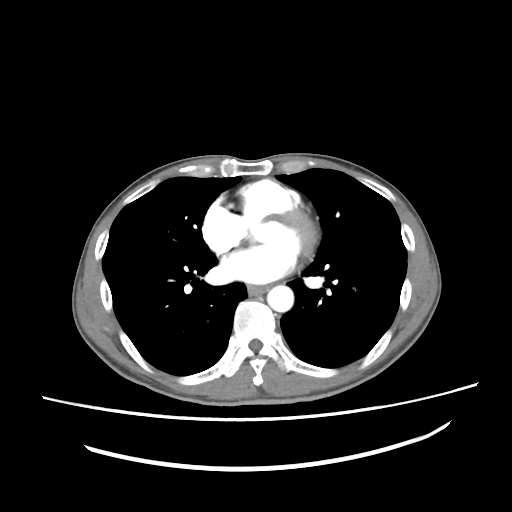
Chest-level CT slice, above the liver and spleen · axial plane, index 97 · soft-tissue window · 50-year-old male patient
At this level of the chest this dataset labels only the esophagus and the aorta, and each is boxed only where it is labeled; the heart and lungs are never labeled.
<organs><organ name="aorta" x1="267" y1="285" x2="293" y2="312"/><organ name="esophagus" x1="247" y1="285" x2="267" y2="294"/></organs>